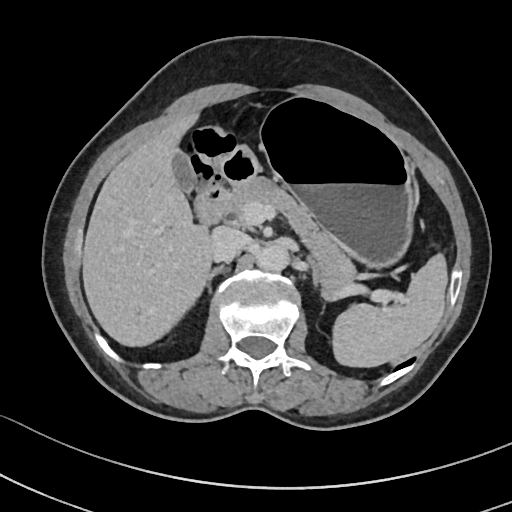

Abdominal CT. Axial slice 137/192. abdomen soft-tissue window. acquired on SOMATOM Force
Organ boxes in pixel coordinates; each row gives the top-left (x1, y1) and bottom-right (x2, y2) corners.
| organ | x1 | y1 | x2 | y2 |
|---|---|---|---|---|
| spleen | 333 | 254 | 446 | 367 |
| gall bladder | 171 | 148 | 194 | 192 |
| liver | 83 | 114 | 211 | 345 |
| stomach | 261 | 97 | 411 | 267 |
| aorta | 258 | 243 | 289 | 270 |
| inferior vena cava | 209 | 228 | 249 | 262 |
| pancreas | 220 | 177 | 354 | 301 |
| right adrenal gland | 203 | 267 | 222 | 285 |
| left adrenal gland | 306 | 255 | 319 | 286 |
| duodenum | 193 | 145 | 260 | 229 |